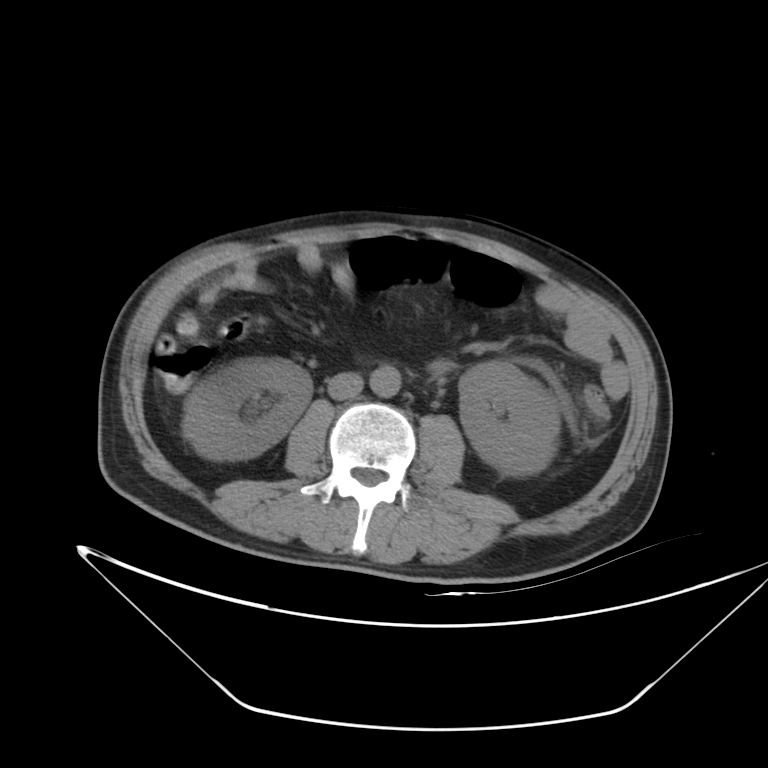 CT abdomen — Axial slice 58/107
One row per box, in pixels: columns x1 and y1 give the top-left corner, x2 and y2 the bottom-right.
| organ | x1 | y1 | x2 | y2 |
|---|---|---|---|---|
| left kidney | 458 | 361 | 558 | 476 |
| aorta | 370 | 365 | 401 | 397 |
| right kidney | 182 | 359 | 310 | 460 |
| inferior vena cava | 327 | 371 | 364 | 398 |